Abdominal CT — axial plane, index 48 — abdomen soft-tissue window — 768x768 px — 66-year-old male patient
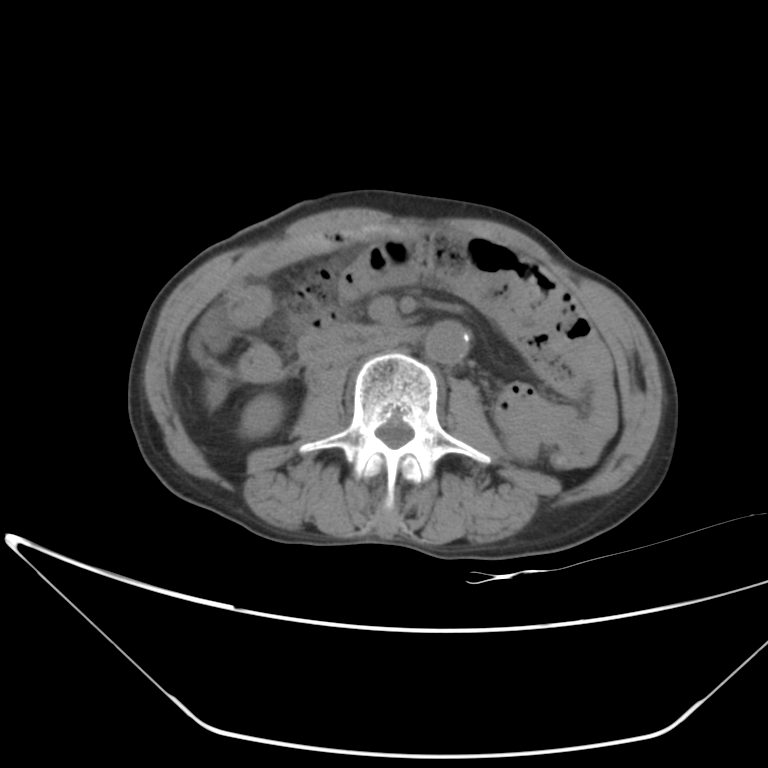

<organs><organ name="duodenum" x1="300" y1="323" x2="420" y2="366"/><organ name="right kidney" x1="240" y1="393" x2="283" y2="437"/><organ name="liver" x1="209" y1="380" x2="225" y2="405"/><organ name="aorta" x1="424" y1="320" x2="470" y2="364"/><organ name="inferior vena cava" x1="331" y1="334" x2="398" y2="364"/></organs>